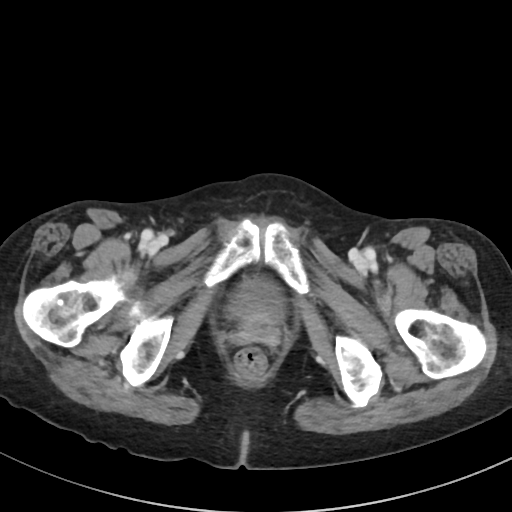

Abdominal CT. axial view. W/L 400/40 HU. 512x512 px
<organs><organ name="bladder" x1="229" y1="278" x2="283" y2="319"/></organs>